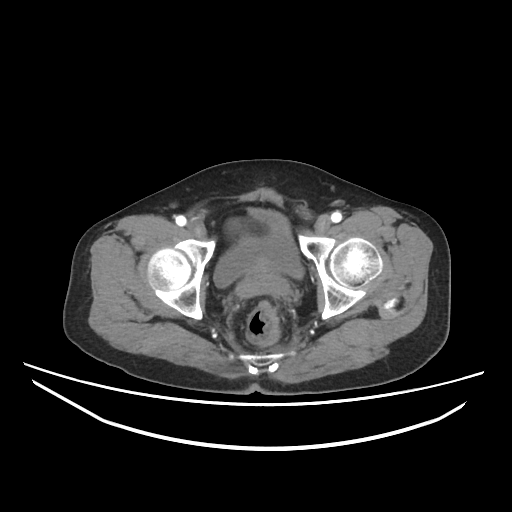

Abdominal CT — Axial slice 19/124 — abdomen soft-tissue window — 512x512 px
<organs><organ name="bladder" x1="213" y1="208" x2="303" y2="287"/><organ name="prostate/uterus" x1="252" y1="267" x2="274" y2="276"/></organs>